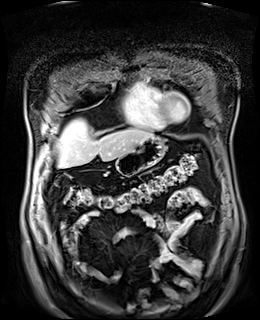

MRI, abdomen — coronal view — percentile-normalized — 13 organs annotated in this scan (counted over the whole 3D scan, not this slice; an organ is boxed only where this slice passes through it)
Boxes: x1:y1:x2:y2 in pixels.
Organ bounding boxes:
- liver: 57:119:154:168
- stomach: 116:137:166:176